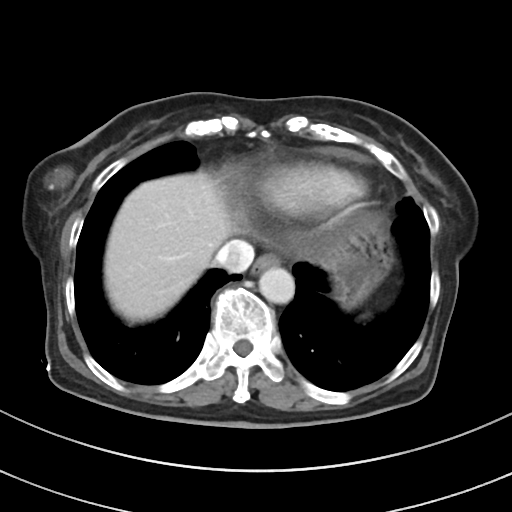

Abdominal CT — axial view — W/L 400/40 HU
Coordinates as <box>x1,y1,x2,y2</box> in pixels.
Organ bounding boxes:
- esophagus: <box>251,254,279,274</box>
- liver: <box>104,171,234,322</box>
- stomach: <box>326,223,390,307</box>
- aorta: <box>259,267,294,303</box>
- inferior vena cava: <box>215,240,254,272</box>